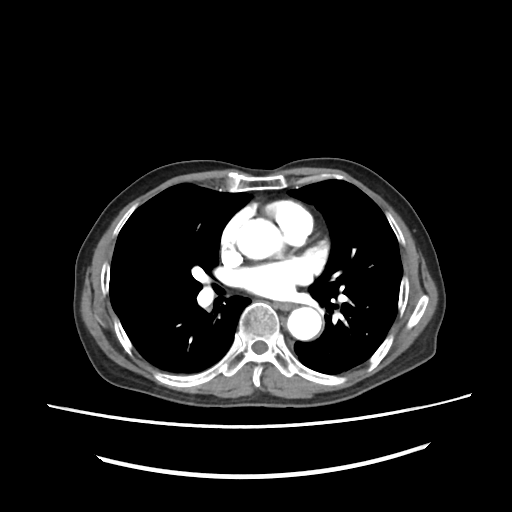

Abdominal CT; this slice is in the lower chest, just above the liver. axial view. 67-year-old male patient. 15 organs annotated in this scan (counted over the whole 3D scan, not this slice; an organ is boxed only where this slice passes through it)
No part of the heart or lungs is labeled in this dataset, so neither has a box here.
Each box given as x1,y1,x2,y2.
aorta: x1=287, y1=306, x2=323, y2=338
esophagus: x1=278, y1=302, x2=297, y2=309